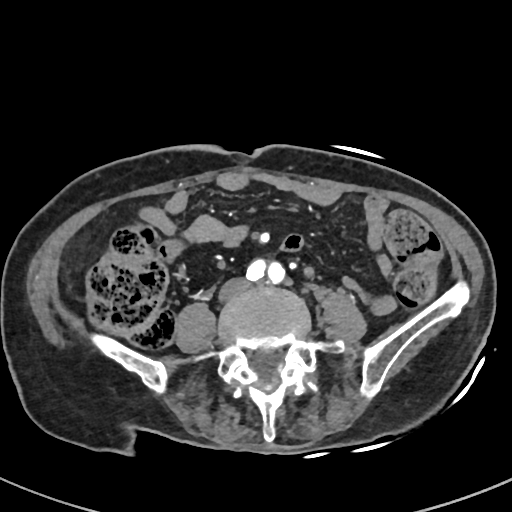 CT, abdomen/pelvis · axial view · 512x512 px
<organs><organ name="inferior vena cava" x1="222" y1="278" x2="249" y2="294"/><organ name="aorta" x1="282" y1="272" x2="284" y2="278"/></organs>